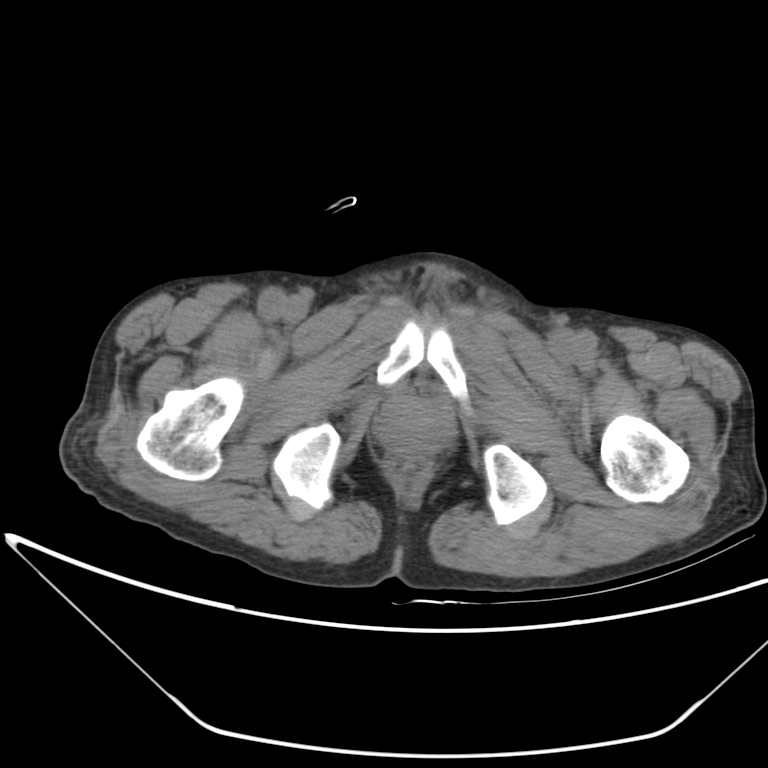

CT, abdomen/pelvis; axial view; Brilliance16 scanner; 15 organs annotated in this scan (a whole-scan count: organs this slice does not pass through have no box)
Box edges are left/top/right/bottom in pixels.
prostate/uterus: left=380, top=401, right=447, bottom=452